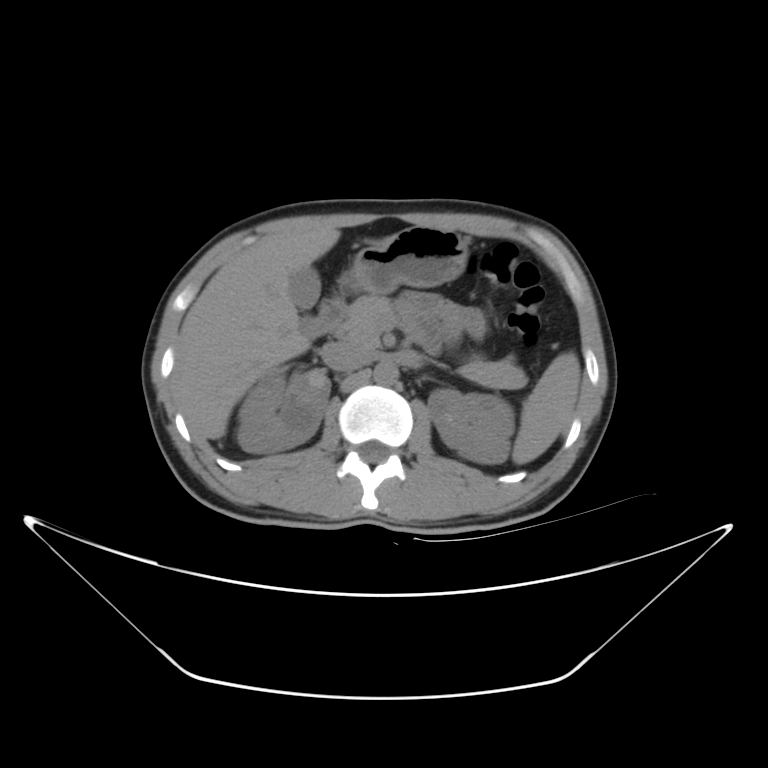 CT abdomen · axial plane, index 66 · soft-tissue window (W 400 / L 40) · 768x768 px · 31-year-old male patient · 15 organs annotated in this scan (that count is for the whole scan; organs this slice misses have no box)
Bounding boxes as [x1, y1, x2, y2] in pixel coordinates.
spleen: [512, 351, 579, 464]
right kidney: [237, 368, 329, 451]
left kidney: [426, 386, 514, 466]
gall bladder: [287, 265, 320, 314]
liver: [178, 227, 391, 439]
stomach: [337, 226, 470, 296]
aorta: [373, 360, 399, 386]
inferior vena cava: [320, 338, 375, 368]
pancreas: [335, 296, 395, 345]
left adrenal gland: [428, 361, 449, 369]
duodenum: [300, 296, 344, 337]